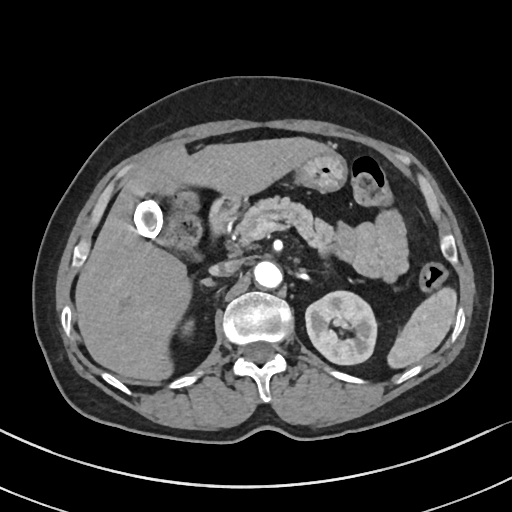 Computed tomography, abdomen; Axial slice 154/294; soft-tissue window; 512x512 px
{"organs":{"spleen":[387,287,456,368],"right kidney":[182,318,194,330],"left kidney":[305,291,376,364],"gall bladder":[131,197,170,244],"liver":[75,137,329,380],"stomach":[294,150,347,192],"aorta":[254,261,282,288],"inferior vena cava":[209,260,240,275],"pancreas":[235,196,333,255],"right adrenal gland":[201,279,214,286],"duodenum":[209,194,243,235]}}